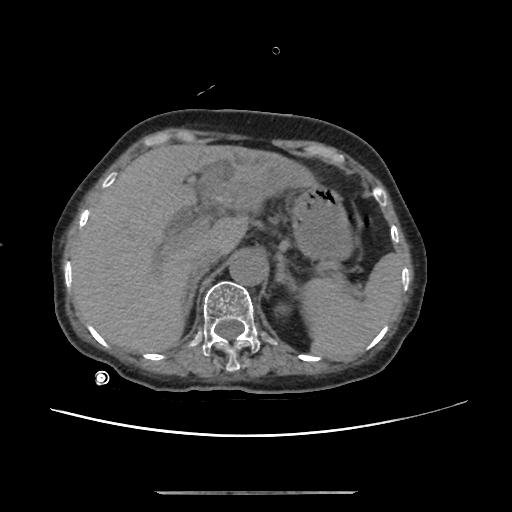
CT, abdomen/pelvis — axial view
Coordinates as <box>x1,y1,x2,y2</box> in pixels. Labeled organs on this slice: spleen at <box>299,252,402,360</box>, liver at <box>71,143,317,351</box>, stomach at <box>290,181,352,259</box>, aorta at <box>228,252,266,285</box>, inferior vena cava at <box>190,248,221,275</box>, right adrenal gland at <box>184,275,201,314</box>, left adrenal gland at <box>275,253,295,288</box>.